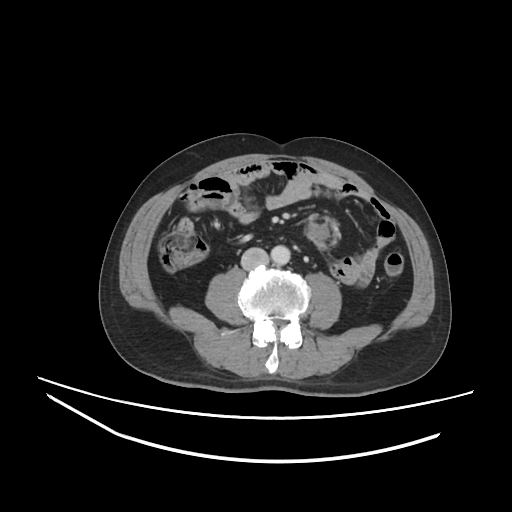 CT, abdomen/pelvis — Axial slice 47/128 — 512x512 px — 15 organs annotated in this scan (counted over the whole 3D scan, not this slice; an organ is boxed only where this slice passes through it)
{"organs":{"inferior vena cava":[241,247,268,270],"aorta":[270,245,290,265]}}